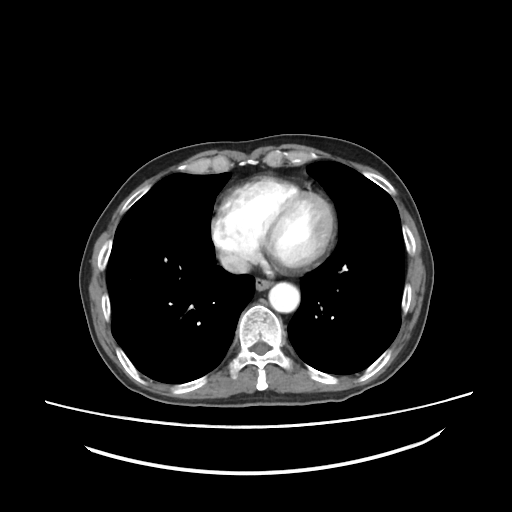
Abdominal CT; this slice is in the lower chest, just above the liver. axial plane, index 89. 68-year-old male patient
Of the structures in the chest, this dataset labels only the esophagus, the aorta and the inferior vena cava; the heart and lungs have no label. Boxes: x1:y1:x2:y2 in pixels. 3 labeled organs on this slice — esophagus at 255:278:271:290; aorta at 268:282:299:312; inferior vena cava at 219:253:250:273.